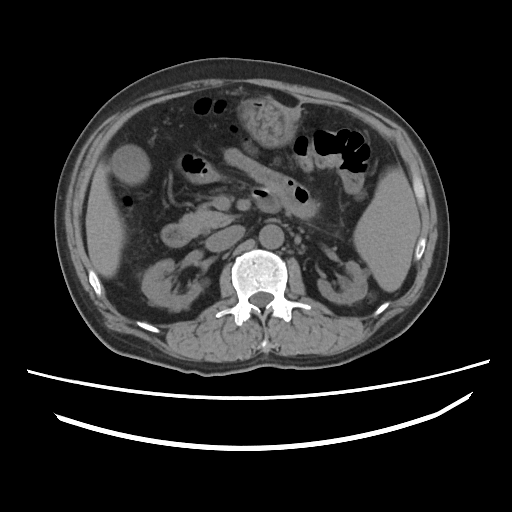
Abdominal CT — axial view
Each box given as x1,y1,x2,y2.
Organ bounding boxes:
- spleen: x1=353, y1=167, x2=420, y2=291
- right kidney: x1=142, y1=259, x2=202, y2=309
- left kidney: x1=318, y1=261, x2=367, y2=304
- gall bladder: x1=111, y1=145, x2=150, y2=184
- liver: x1=85, y1=165, x2=124, y2=277
- stomach: x1=242, y1=98, x2=295, y2=147
- aorta: x1=259, y1=225, x2=283, y2=248
- inferior vena cava: x1=205, y1=226, x2=243, y2=252
- pancreas: x1=179, y1=204, x2=235, y2=236
- duodenum: x1=161, y1=188, x2=280, y2=246